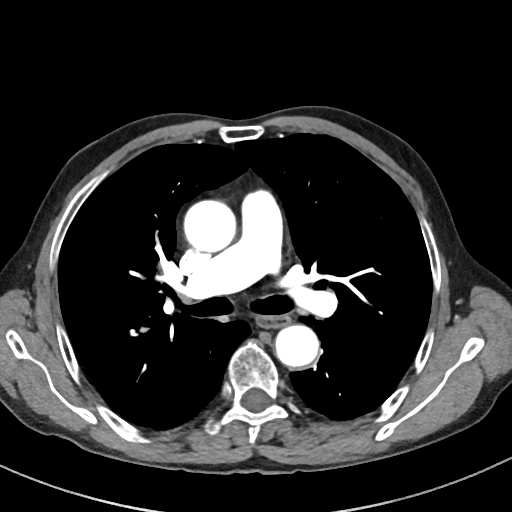

Chest-level CT slice, above the liver and spleen · axial view · 512x512 px · acquired on SOMATOM Force
At this level of the chest no structure but the esophagus and the aorta has a label in this dataset, and those two are boxed only where they are labeled.
One row per box, in pixels: columns x1 and y1 give the top-left corner, x2 and y2 the bottom-right.
| organ | x1 | y1 | x2 | y2 |
|---|---|---|---|---|
| esophagus | 257 | 315 | 290 | 328 |
| aorta | 183 | 199 | 236 | 251 |
| aorta | 274 | 325 | 319 | 367 |